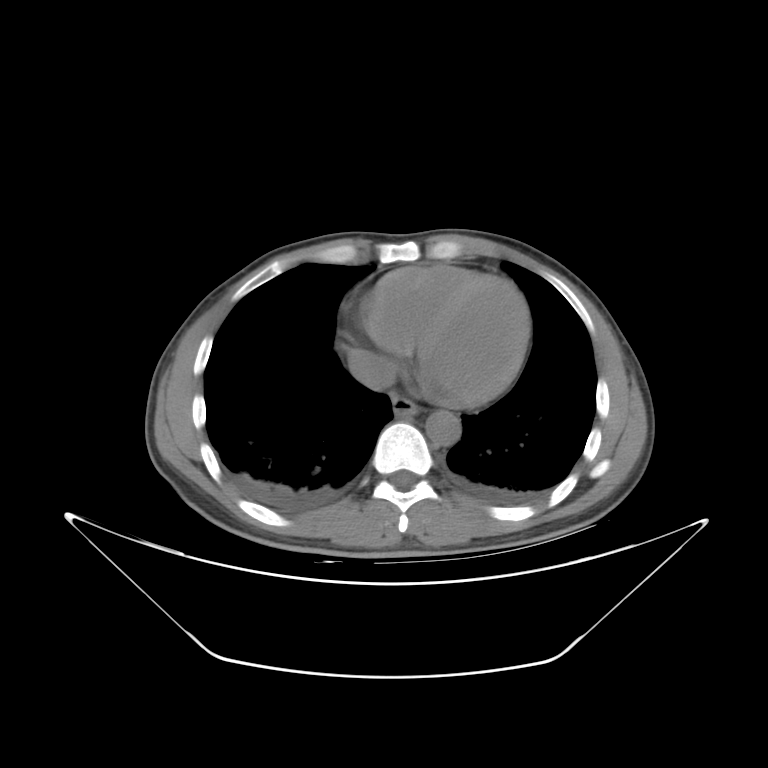
Lower-chest slice from an abdominal CT, just above the liver and spleen — axial view — 39-year-old male patient
The heart and lungs are never labeled in this dataset, so they have no box on this slice.
Boxes: x1:y1:x2:y2 in pixels.
Organ bounding boxes:
- esophagus: 391:394:420:416
- aorta: 425:410:461:445
- inferior vena cava: 347:348:395:389